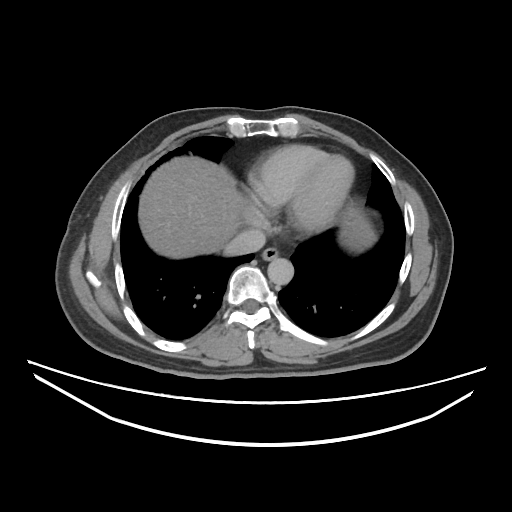

CT, abdomen/pelvis. Axial slice 110/115. soft-tissue window. 512x512 px
Each box given as x1,y1,x2,y2.
Organ bounding boxes:
- inferior vena cava: x1=222, y1=229, x2=266, y2=256
- aorta: x1=268, y1=258, x2=293, y2=285
- esophagus: x1=262, y1=247, x2=279, y2=260
- liver: x1=139, y1=156, x2=375, y2=257